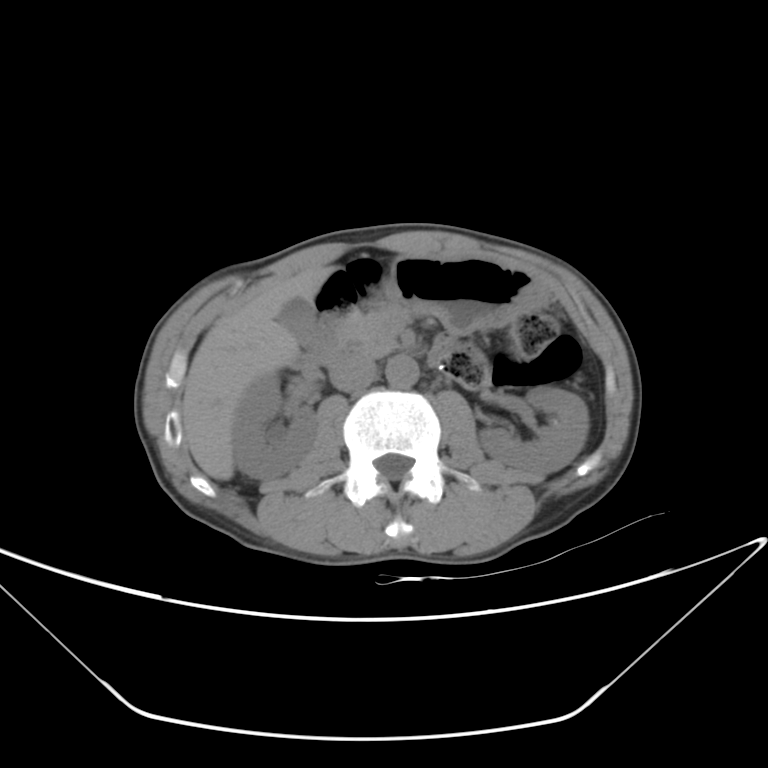 Computed tomography, abdomen · axial plane, index 59 · soft-tissue window
<organs><organ name="right kidney" x1="232" y1="374" x2="316" y2="479"/><organ name="left kidney" x1="479" y1="386" x2="588" y2="478"/><organ name="gall bladder" x1="279" y1="297" x2="318" y2="344"/><organ name="liver" x1="182" y1="266" x2="333" y2="479"/><organ name="stomach" x1="380" y1="255" x2="544" y2="333"/><organ name="aorta" x1="385" y1="356" x2="418" y2="388"/><organ name="inferior vena cava" x1="329" y1="354" x2="376" y2="391"/><organ name="pancreas" x1="336" y1="306" x2="408" y2="356"/><organ name="duodenum" x1="296" y1="316" x2="338" y2="371"/></organs>